Abdominal CT; axial plane, index 192; abdomen soft-tissue window; 512x512 px; SOMATOM Force scanner
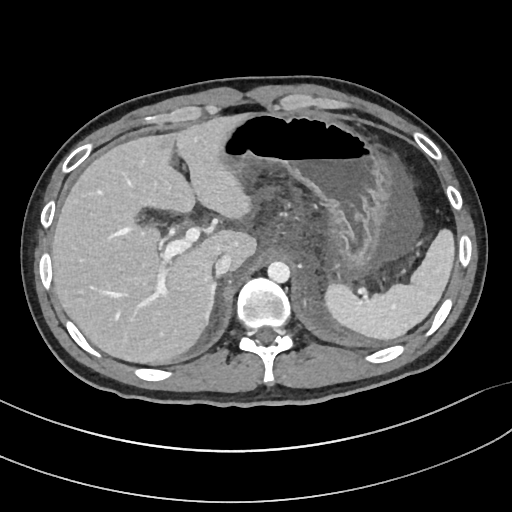

<organs><organ name="spleen" x1="325" y1="229" x2="454" y2="340"/><organ name="liver" x1="52" y1="115" x2="256" y2="363"/><organ name="stomach" x1="220" y1="112" x2="394" y2="274"/><organ name="aorta" x1="267" y1="261" x2="290" y2="283"/><organ name="inferior vena cava" x1="214" y1="253" x2="230" y2="276"/><organ name="right adrenal gland" x1="206" y1="282" x2="219" y2="324"/></organs>